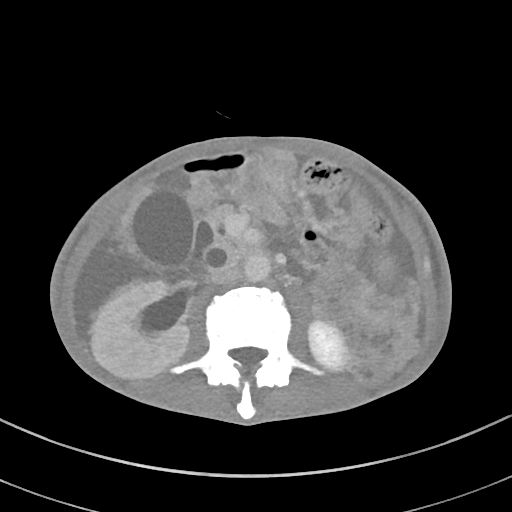
Computed tomography, abdomen — axial view — soft-tissue window (W 400 / L 40) — SOMATOM Force scanner
Bounding boxes as [x1, y1, x2, y2] in pixel coordinates.
Organ bounding boxes:
- right kidney: [92, 281, 188, 379]
- left kidney: [160, 321, 346, 371]
- gall bladder: [134, 191, 195, 266]
- aorta: [244, 253, 271, 282]
- inferior vena cava: [210, 264, 240, 284]
- pancreas: [209, 202, 247, 257]
- duodenum: [187, 250, 208, 282]